CT of the abdomen reaching into the lower chest, slice just above the liver and spleen; Axial slice 222/222; SOMATOM Force scanner; scan has 15 labeled organs (a whole-scan count: organs this slice does not pass through have no box)
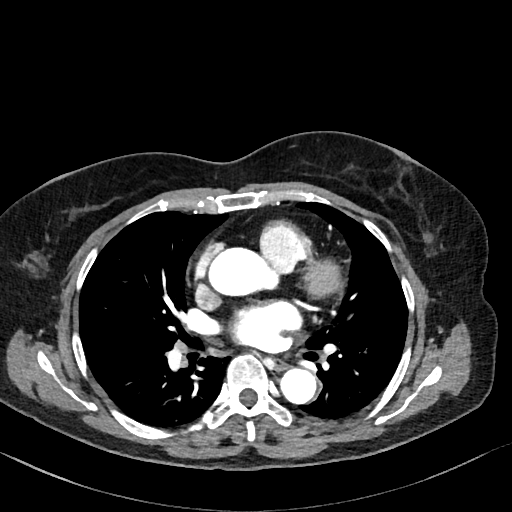
Of the structures in the chest, this dataset labels only the esophagus, the aorta and the inferior vena cava; the heart and lungs have no label.
Each box given as x1,y1,x2,y2.
Organ bounding boxes:
- esophagus: x1=272, y1=358, x2=287, y2=371
- aorta: x1=280, y1=368, x2=316, y2=404